CT of the abdomen reaching into the lower chest, slice just above the liver and spleen — Axial slice 204/276 — soft-tissue window (W 400 / L 40) — scan has 15 labeled organs (a whole-scan count: organs this slice does not pass through have no box)
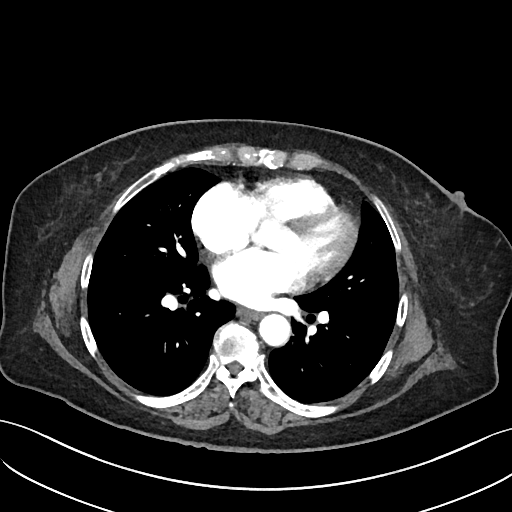 No part of the heart or lungs is labeled in this dataset, so neither has a box here.
<organs><organ name="esophagus" x1="238" y1="309" x2="260" y2="319"/><organ name="aorta" x1="259" y1="315" x2="290" y2="347"/></organs>